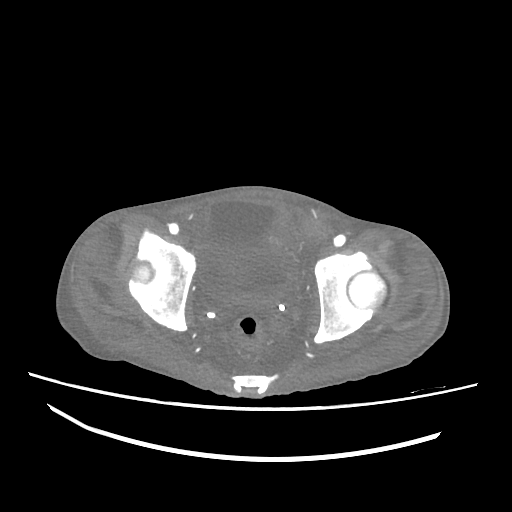 Computed tomography, abdomen; axial view; 47-year-old male patient
Boxes are (x1, y1, x2, y2) in pixels.
Organ bounding boxes:
- bladder: (203, 198, 289, 309)